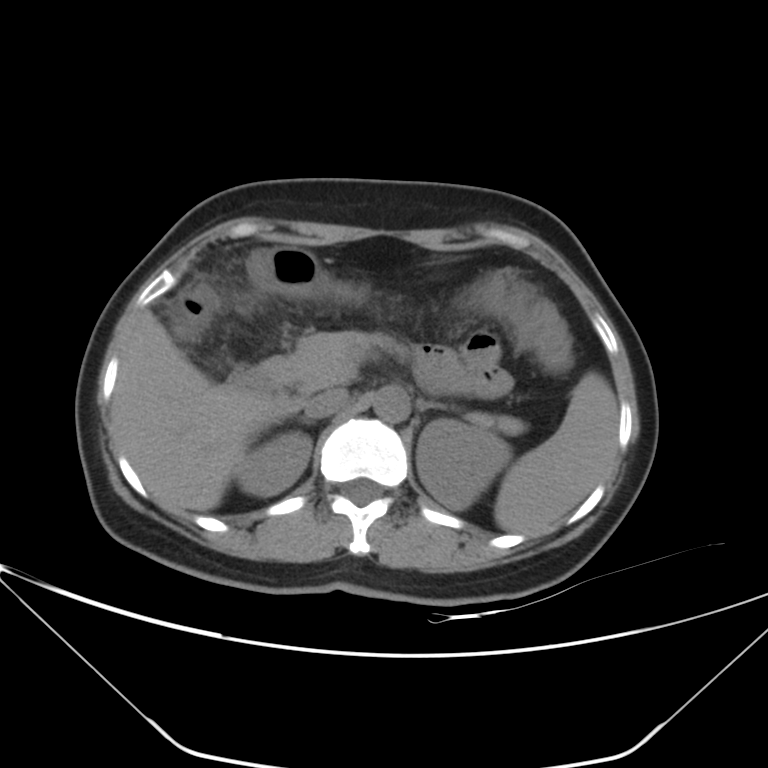
Computed tomography, abdomen · Axial slice 63/90 · acquired on Brilliance16
{"organs":{"spleen":[494,371,617,534],"right kidney":[236,431,311,496],"left kidney":[417,419,510,510],"liver":[113,312,303,512],"aorta":[373,386,410,422],"inferior vena cava":[304,389,347,418],"pancreas":[282,330,520,432],"right adrenal gland":[302,420,309,424],"left adrenal gland":[417,398,446,411],"duodenum":[230,357,284,396]}}